Computed tomography, abdomen · axial view
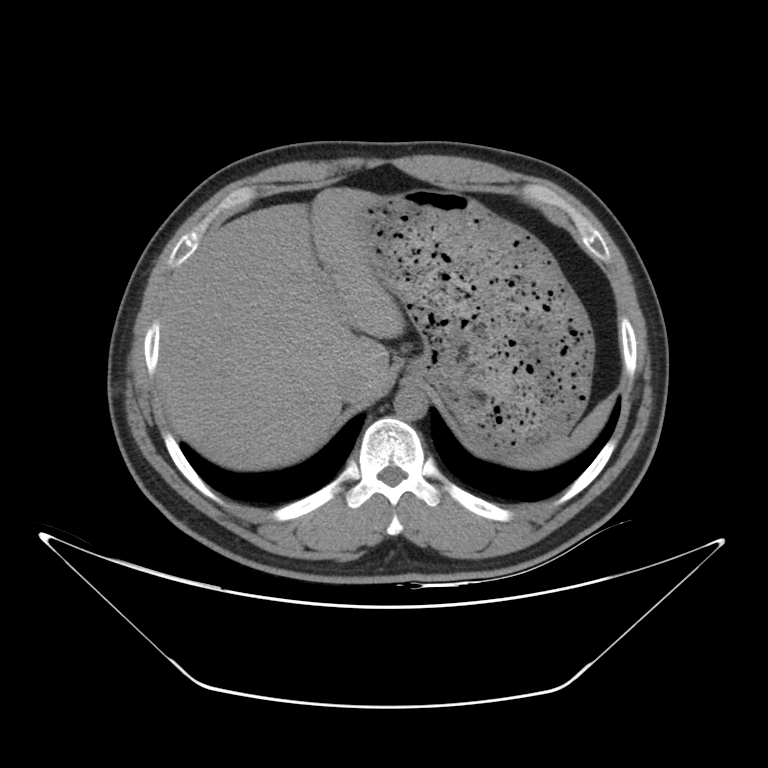 Box edges are left/top/right/bottom in pixels.
Organ bounding boxes:
- spleen: left=513, top=401, right=610, bottom=467
- liver: left=157, top=188, right=404, bottom=470
- stomach: left=359, top=189, right=593, bottom=462
- aorta: left=394, top=387, right=427, bottom=420
- inferior vena cava: left=336, top=369, right=371, bottom=403